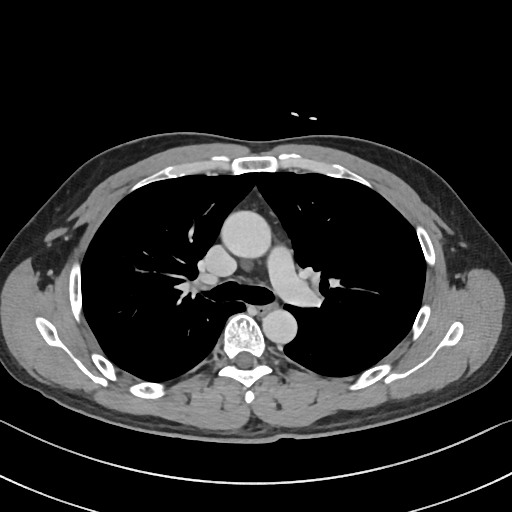
Abdominal CT reaching into the chest; this slice is in the chest; axial view; SOMATOM Force scanner
On a slice this high in the chest, this dataset labels only the esophagus and the aorta, and each is boxed only where it is labeled; the heart, lungs and other chest structures are not labeled.
<organs><organ name="esophagus" x1="259" y1="300" x2="275" y2="312"/><organ name="aorta" x1="221" y1="211" x2="272" y2="259"/><organ name="aorta" x1="262" y1="308" x2="297" y2="343"/></organs>